CT, abdomen/pelvis. Axial slice 49/98. W/L 400/40 HU. 512x512 px
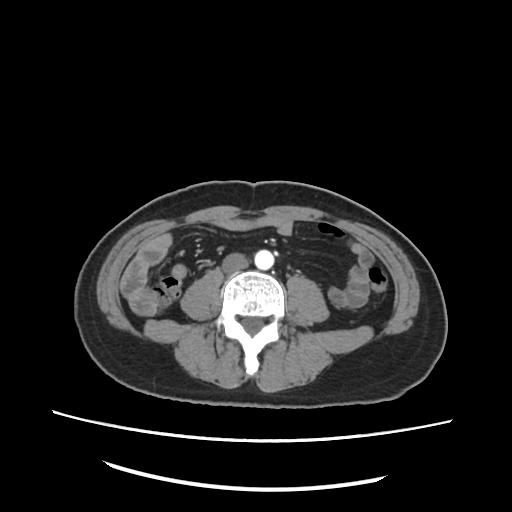 One row per box, in pixels: columns x1 and y1 give the top-left corner, x2 and y2 the bottom-right.
| organ | x1 | y1 | x2 | y2 |
|---|---|---|---|---|
| aorta | 254 | 248 | 274 | 270 |
| inferior vena cava | 222 | 252 | 250 | 275 |